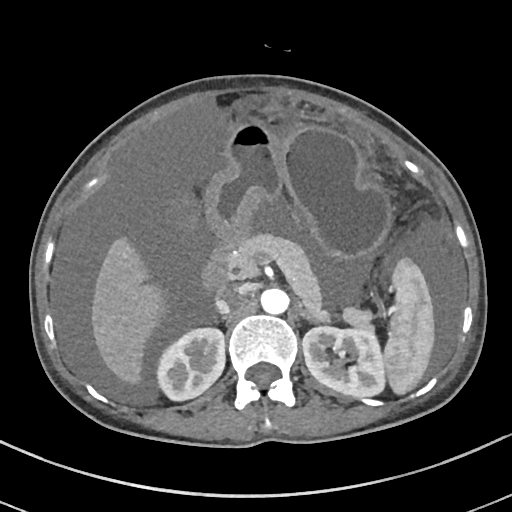

CT abdomen; axial view; 512x512 px; scan has 15 labeled organs (a whole-scan count: organs this slice does not pass through have no box)
Coordinates as <box>x1,y1,x2,y2</box> in pixels. The annotated organs in this slice are: spleen at <box>383,258,434,394</box>, right kidney at <box>156,327,224,400</box>, left kidney at <box>302,326,385,397</box>, liver at <box>91,238,166,384</box>, stomach at <box>204,120,391,258</box>, aorta at <box>260,288,288,314</box>, inferior vena cava at <box>215,287,244,314</box>, pancreas at <box>229,234,372,329</box>, left adrenal gland at <box>300,310,316,322</box>, duodenum at <box>202,240,236,290</box>.